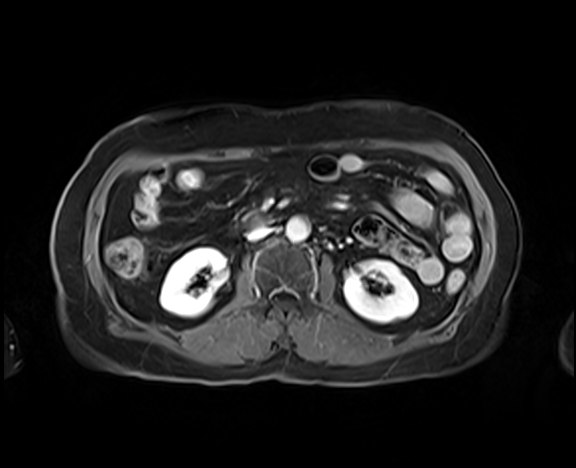

Magnetic resonance imaging, abdomen · axial view · Prisma scanner · scan has 13 labeled organs (counted over the whole 3D scan, not this slice; an organ is boxed only where this slice passes through it)
Boxes are (x1, y1, x2, y2) in pixels. Labeled organs on this slice: right kidney at (160, 247, 228, 317), left kidney at (344, 259, 418, 323), aorta at (286, 217, 309, 242), inferior vena cava at (247, 227, 271, 240), duodenum at (244, 215, 270, 226).